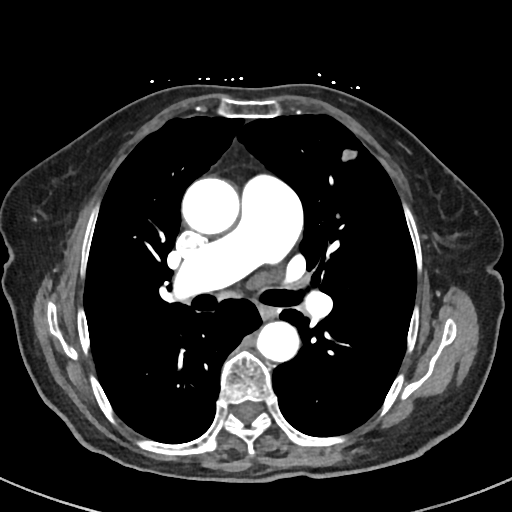 Chest-level slice from an abdominal CT that extends up into the chest. axial view. 512x512 px. SOMATOM Force scanner
At this level of the chest no structure but the esophagus and the aorta has a label in this dataset, and those two are boxed only where they are labeled. Boxes are (x1, y1, x2, y2) in pixels. Labeled organs on this slice: esophagus at (259, 304, 278, 319), aorta at (182, 177, 240, 234), aorta at (257, 321, 300, 362).